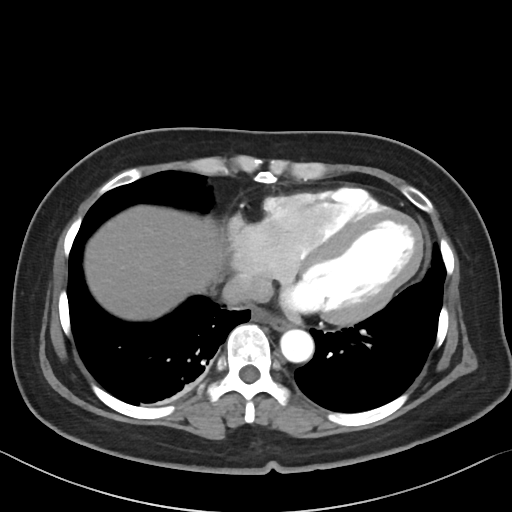

CT, abdomen/pelvis — axial view — abdomen soft-tissue window — acquired on SOMATOM Force
{"organs":{"liver":[84,205,225,320],"inferior vena cava":[222,273,272,304],"esophagus":[265,316,293,330],"aorta":[280,329,313,362]}}